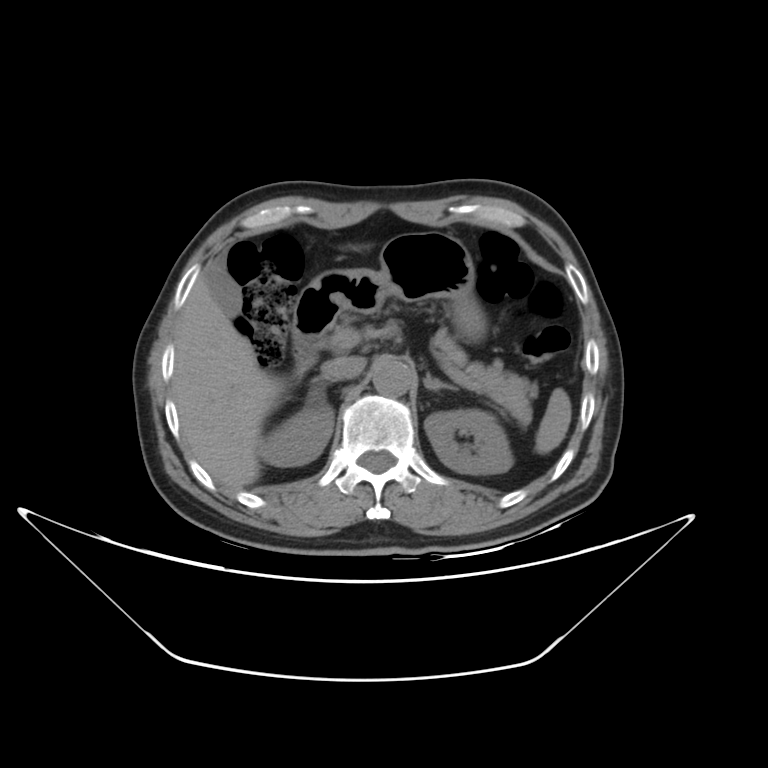

CT abdomen. axial view. soft-tissue window. 768x768 px. 71-year-old male patient. Brilliance16 scanner. 15 organs annotated in this scan (counted over the whole 3D scan, not this slice; an organ is boxed only where this slice passes through it)
{"organs":{"spleen":[535,391,571,454],"right kidney":[260,385,332,466],"left kidney":[424,410,512,476],"gall bladder":[206,255,242,315],"liver":[172,267,288,490],"stomach":[375,233,484,337],"aorta":[372,361,410,397],"inferior vena cava":[321,357,364,378],"pancreas":[432,327,540,425],"right adrenal gland":[326,379,334,383],"left adrenal gland":[425,379,459,392],"duodenum":[294,268,383,368]}}